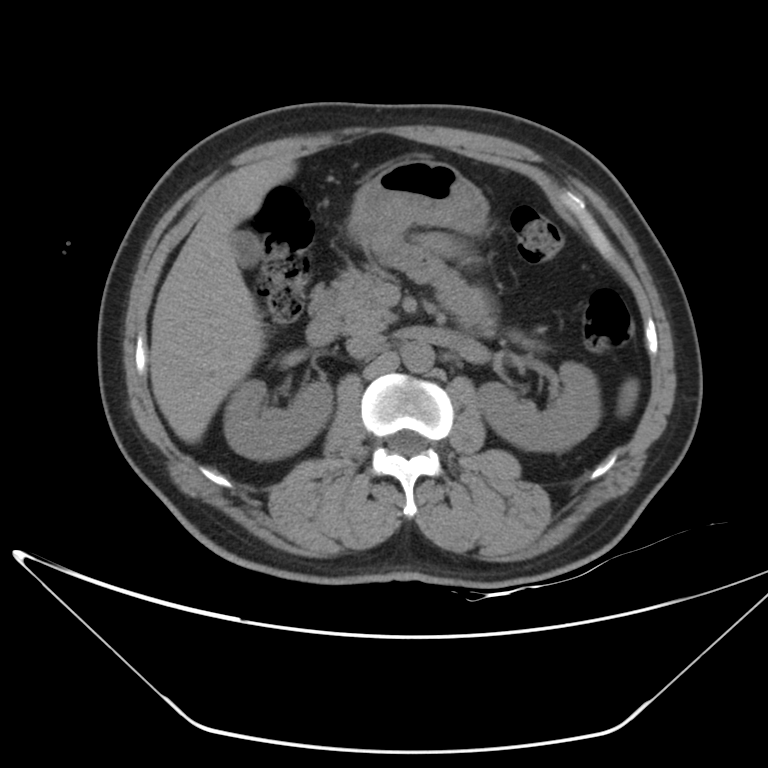
CT, abdomen/pelvis — axial plane, index 57 — 42-year-old male patient — 15 organs annotated in this scan (counted over the whole 3D scan, not this slice; an organ is boxed only where this slice passes through it)
Bounding boxes as [x1, y1, x2, y2] in pixel coordinates.
Organ bounding boxes:
- inferior vena cava: [345, 334, 384, 358]
- spleen: [617, 378, 638, 416]
- aorta: [402, 341, 435, 373]
- pancreas: [310, 268, 536, 347]
- gall bladder: [230, 230, 260, 267]
- duodenum: [305, 319, 339, 344]
- stomach: [348, 159, 488, 242]
- right kidney: [224, 380, 333, 460]
- liver: [150, 156, 296, 442]
- left kidney: [477, 362, 601, 451]